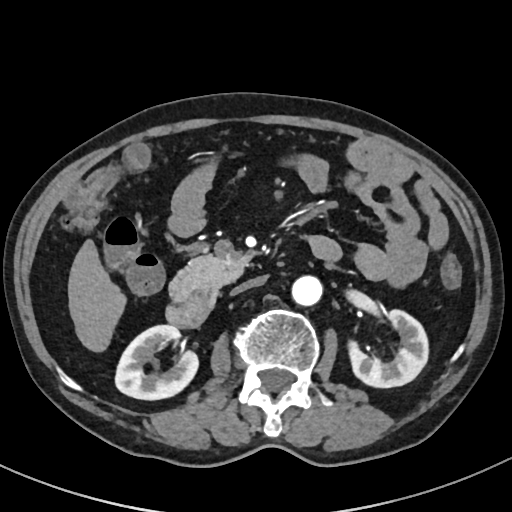 CT abdomen. Axial slice 147/303. abdomen soft-tissue window
<organs><organ name="duodenum" x1="165" y1="289" x2="215" y2="327"/><organ name="liver" x1="68" y1="240" x2="126" y2="352"/><organ name="inferior vena cava" x1="231" y1="277" x2="265" y2="294"/><organ name="pancreas" x1="169" y1="253" x2="251" y2="300"/><organ name="left kidney" x1="348" y1="309" x2="428" y2="387"/><organ name="right kidney" x1="115" y1="325" x2="198" y2="399"/><organ name="aorta" x1="291" y1="275" x2="322" y2="306"/></organs>